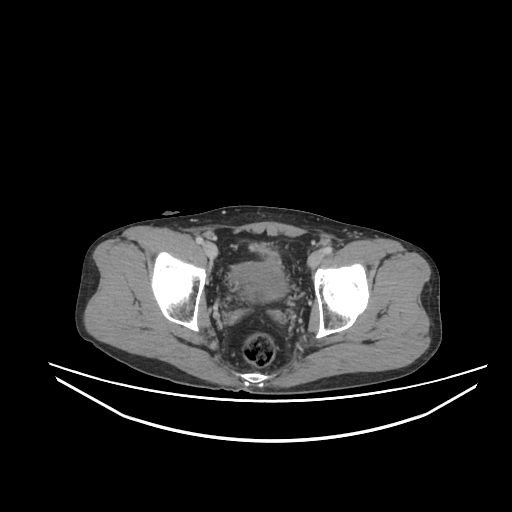

Computed tomography, abdomen; axial view; scan has 15 labeled organs (that count is for the whole scan; organs this slice misses have no box)
Bounding boxes as [x1, y1, x2, y2] in pixel coordinates.
bladder: [231, 253, 287, 298]